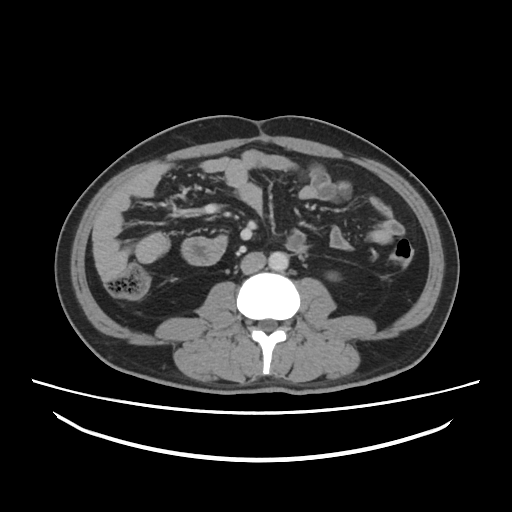

Computed tomography, abdomen — axial view — soft-tissue window (W 400 / L 40) — 31-year-old male patient
Coordinates as <box>x1,y1,x2,y2</box> in pixels.
Organ bounding boxes:
- left kidney: <box>330,274,335,277</box>
- aorta: <box>268,251,288,271</box>
- inferior vena cava: <box>240,251,265,274</box>